CT abdomen; axial view
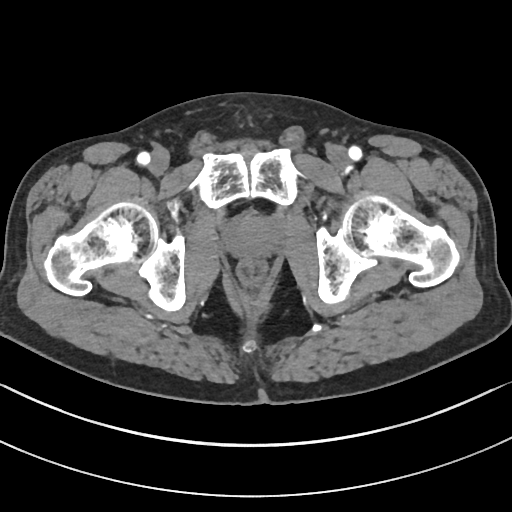
Box edges are left/top/right/bottom in pixels. 1 labeled organ on this slice — prostate/uterus at left=224, top=214, right=281, bottom=259.